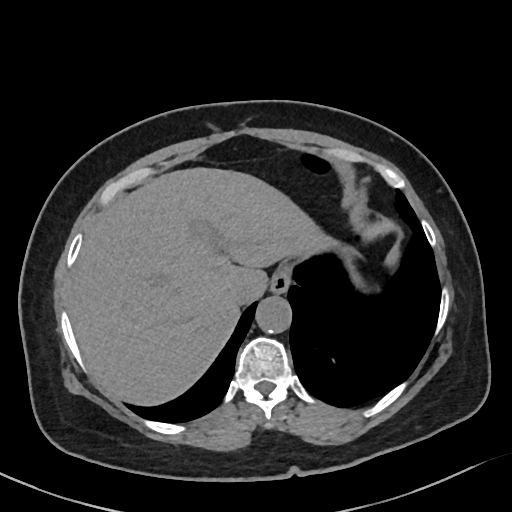
CT, abdomen/pelvis. axial view. soft-tissue window (W 400 / L 40). 512x512 px
Bounding boxes in pixels, one row per box: x1, y1 is the top-left corner and x2, y2 the bottom-right.
| organ | x1 | y1 | x2 | y2 |
|---|---|---|---|---|
| esophagus | 271 | 262 | 292 | 292 |
| liver | 68 | 166 | 340 | 406 |
| aorta | 255 | 296 | 291 | 332 |
| inferior vena cava | 230 | 281 | 261 | 304 |